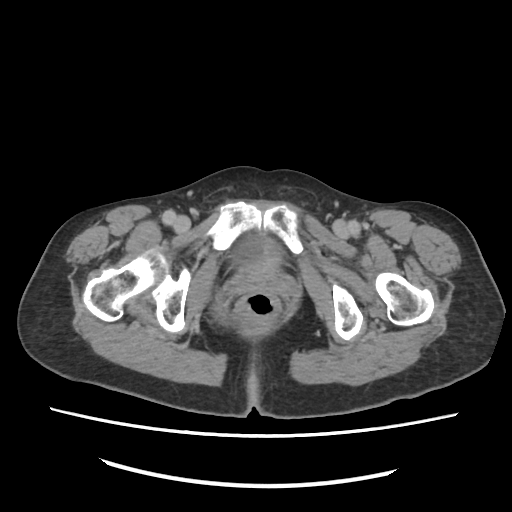

CT, abdomen/pelvis. axial plane, index 13. 512x512 px. 15 organs annotated in this scan (a whole-scan count: organs this slice does not pass through have no box)
Boxes are (x1, y1, x2, y2) in pixels.
bladder: (235, 238, 281, 271)